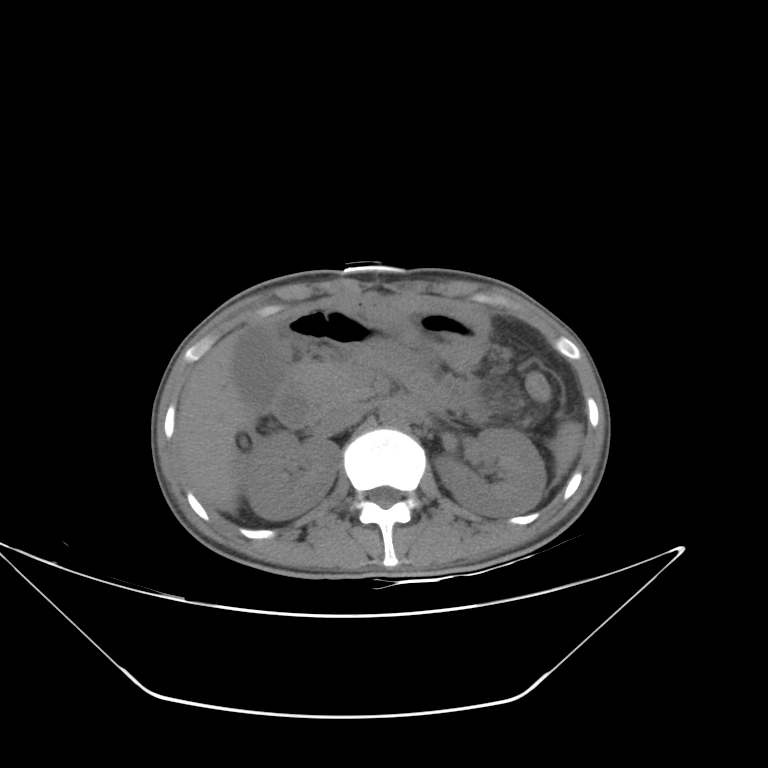

Computed tomography, abdomen; Axial slice 70/103; soft-tissue window; 15 organs annotated in this scan (a whole-scan count: organs this slice does not pass through have no box)
Organ boxes in pixel coordinates; each row gives the top-left (x1, y1) and bottom-right (x2, y2) corners.
| organ | x1 | y1 | x2 | y2 |
|---|---|---|---|---|
| inferior vena cava | 319 | 401 | 367 | 434 |
| right kidney | 241 | 431 | 340 | 519 |
| pancreas | 293 | 364 | 373 | 404 |
| spleen | 552 | 422 | 582 | 477 |
| left kidney | 434 | 428 | 546 | 517 |
| liver | 176 | 330 | 250 | 512 |
| duodenum | 273 | 379 | 321 | 427 |
| aorta | 379 | 403 | 406 | 426 |